CT, abdomen/pelvis — axial view — soft-tissue window (W 400 / L 40)
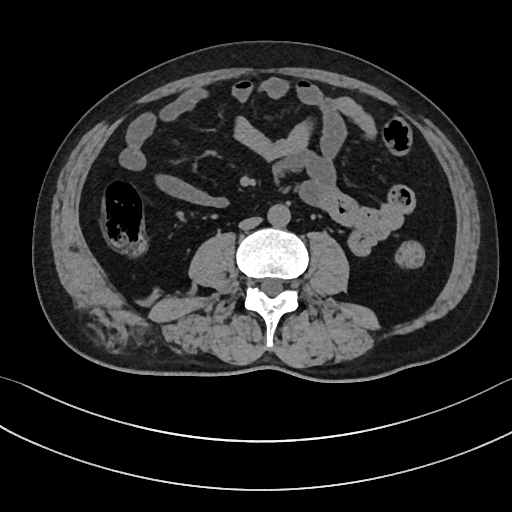

{"organs":{"aorta":[267,204,290,227],"inferior vena cava":[239,217,261,229]}}